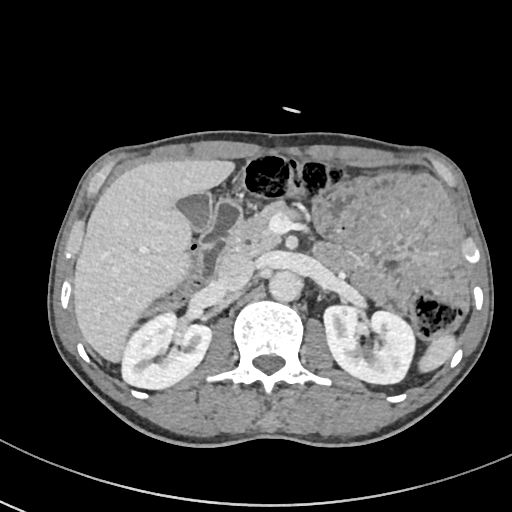
CT abdomen. axial view. W/L 400/40 HU. scan has 15 labeled organs (that count is for the whole scan; organs this slice misses have no box)
Each box given as x1,y1,x2,y2.
gall bladder: x1=177, y1=192, x2=213, y2=231
pancreas: x1=228, y1=201, x2=299, y2=255
left kidney: x1=324, y1=305, x2=415, y2=383
liver: x1=73, y1=159, x2=234, y2=362
spleen: x1=418, y1=332, x2=456, y2=372
aorta: x1=269, y1=271, x2=301, y2=301
inferior vena cava: x1=216, y1=252, x2=255, y2=292
right kidney: x1=121, y1=311, x2=211, y2=389
duodenum: x1=193, y1=201, x2=241, y2=281